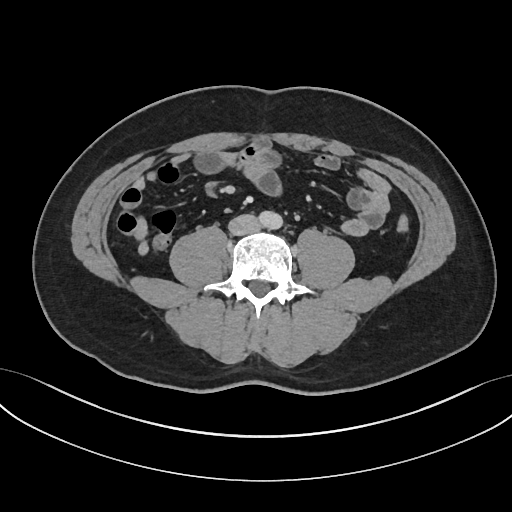
CT abdomen · axial plane, index 121
Organ boxes in pixel coordinates; each row gives the top-left (x1, y1) and bottom-right (x2, y2) corners.
| organ | x1 | y1 | x2 | y2 |
|---|---|---|---|---|
| aorta | 258 | 211 | 282 | 229 |
| inferior vena cava | 228 | 214 | 260 | 235 |